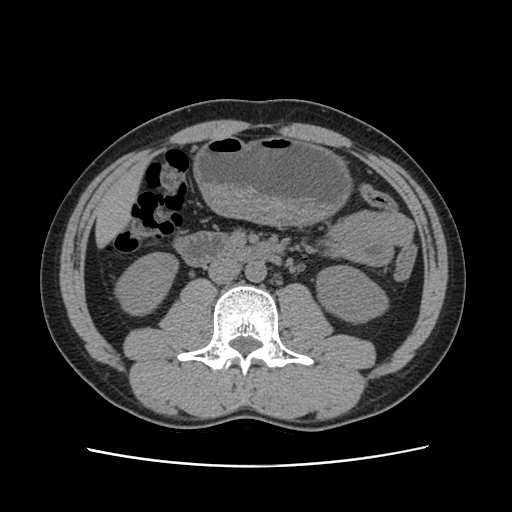

CT abdomen · axial view · 512x512 px
Each box given as x1,y1,x2,y2. The annotated organs in this slice are: inferior vena cava at x1=208, y1=259, x2=241, y2=284, aorta at x1=245, y1=262, x2=266, y2=282, right kidney at x1=115, y1=252, x2=179, y2=313, duodenum at x1=172, y1=232, x2=282, y2=265, left kidney at x1=315, y1=265, x2=387, y2=321, stomach at x1=192, y1=135, x2=351, y2=227, liver at x1=94, y1=155, x2=152, y2=250.